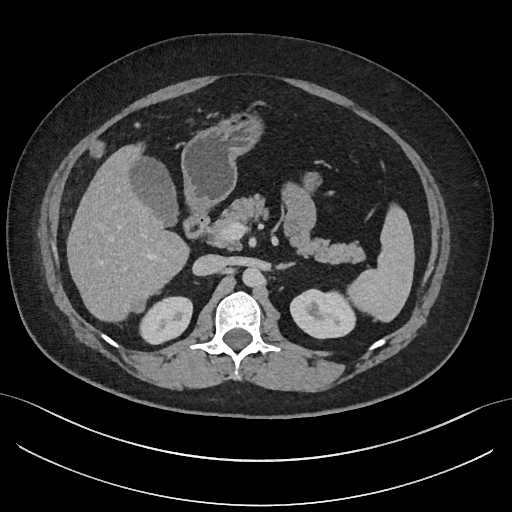
Computed tomography, abdomen · Axial slice 156/305 · abdomen soft-tissue window · SOMATOM Force scanner
<organs><organ name="spleen" x1="348" y1="206" x2="414" y2="323"/><organ name="right kidney" x1="142" y1="298" x2="191" y2="342"/><organ name="left kidney" x1="290" y1="290" x2="356" y2="338"/><organ name="gall bladder" x1="131" y1="157" x2="177" y2="226"/><organ name="liver" x1="67" y1="143" x2="191" y2="321"/><organ name="stomach" x1="182" y1="115" x2="261" y2="210"/><organ name="aorta" x1="242" y1="267" x2="262" y2="287"/><organ name="inferior vena cava" x1="193" y1="254" x2="226" y2="275"/><organ name="pancreas" x1="208" y1="195" x2="365" y2="264"/><organ name="left adrenal gland" x1="276" y1="263" x2="294" y2="268"/><organ name="duodenum" x1="185" y1="211" x2="313" y2="236"/></organs>